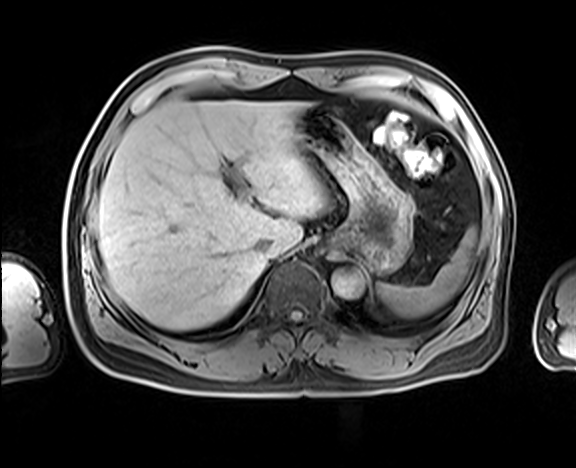

Abdominal MR — axial plane, index 51
Boxes are (x1, y1, x2, y2) in pixels. The annotated organs in this slice are: spleen at (377, 228, 476, 318), liver at (97, 99, 327, 330), stomach at (295, 105, 414, 274), aorta at (332, 271, 363, 297), inferior vena cava at (254, 238, 271, 254).